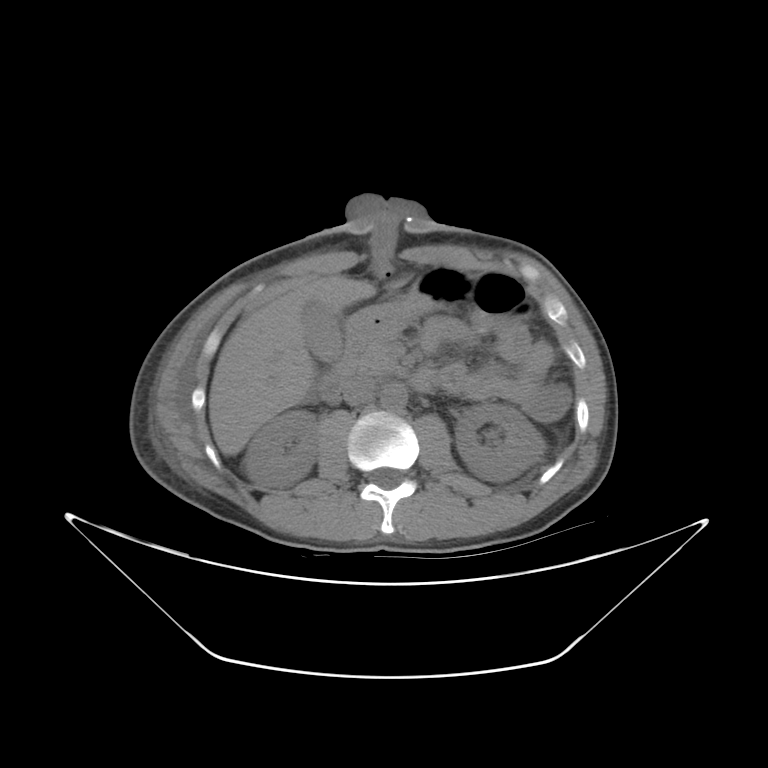

Computed tomography, abdomen; axial view; 768x768 px
Each box given as x1,y1,x2,y2. 9 labeled organs on this slice — right kidney at x1=245, y1=410, x2=318, y2=488; left kidney at x1=455, y1=403, x2=545, y2=481; gall bladder at x1=302, y1=301, x2=341, y2=359; liver at x1=209, y1=275, x2=406, y2=454; stomach at x1=346, y1=265, x2=474, y2=342; aorta at x1=380, y1=384, x2=407, y2=410; inferior vena cava at x1=342, y1=376, x2=376, y2=405; pancreas at x1=352, y1=337, x2=398, y2=376; duodenum at x1=317, y1=340, x2=439, y2=403.